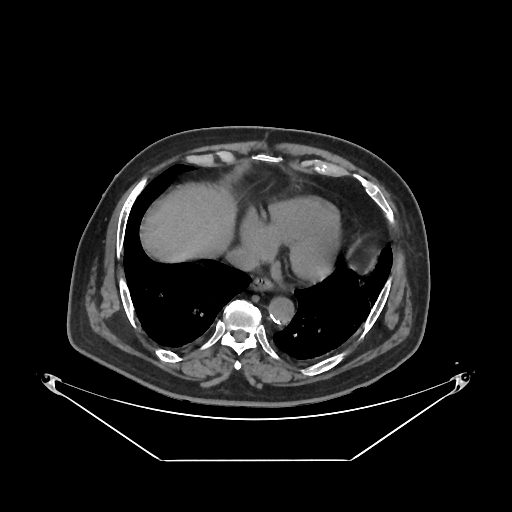
Computed tomography, abdomen — axial view — 512x512 px — SOMATOM Force scanner
<organs><organ name="inferior vena cava" x1="224" y1="249" x2="256" y2="270"/><organ name="liver" x1="143" y1="185" x2="235" y2="263"/><organ name="esophagus" x1="251" y1="276" x2="272" y2="289"/><organ name="aorta" x1="269" y1="295" x2="294" y2="322"/></organs>